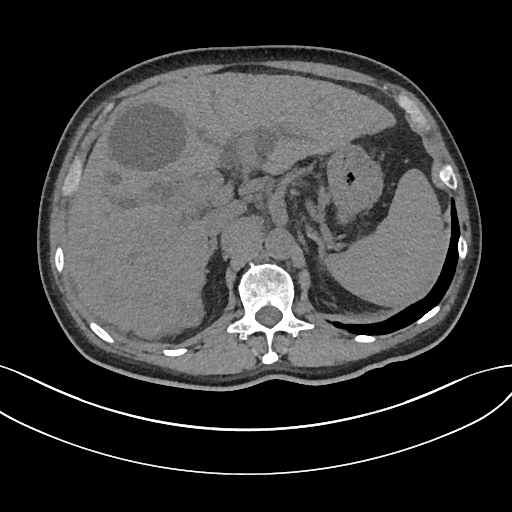 CT abdomen. axial view. soft-tissue window (W 400 / L 40)
Bounding boxes in pixels, one row per box: x1, y1 is the top-left corner and x2, y2 the bottom-right.
| organ | x1 | y1 | x2 | y2 |
|---|---|---|---|---|
| spleen | 328 | 168 | 449 | 307 |
| right adrenal gland | 209 | 239 | 217 | 254 |
| left adrenal gland | 306 | 226 | 325 | 264 |
| liver | 65 | 72 | 394 | 334 |
| stomach | 327 | 146 | 381 | 220 |
| inferior vena cava | 201 | 205 | 235 | 237 |
| aorta | 264 | 229 | 293 | 257 |